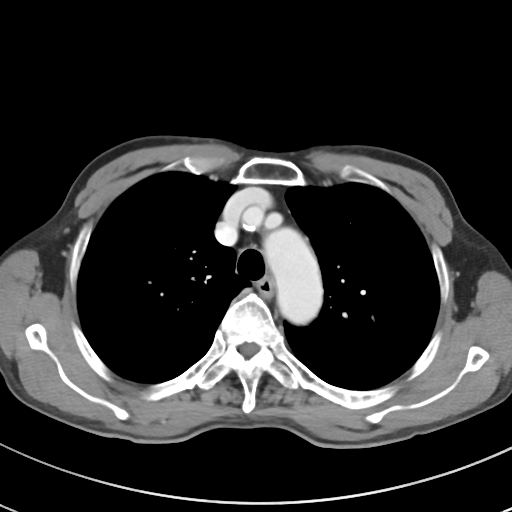
Abdominal CT reaching into the chest; this slice is in the chest · axial view · soft-tissue window (W 400 / L 40) · scan has 15 labeled organs (counted over the whole 3D scan, not this slice; an organ is boxed only where this slice passes through it)
At this level of the chest this dataset labels only the esophagus and the aorta, and each is boxed only where it is labeled; the heart and lungs are never labeled.
{"organs":{"aorta":[263,227,323,324],"esophagus":[258,277,273,295]}}